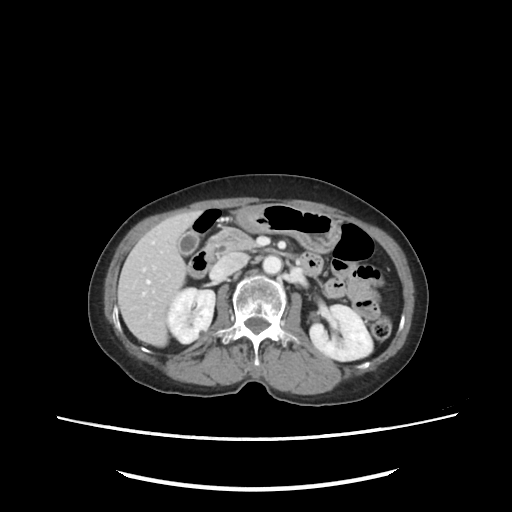

Abdominal CT · axial plane, index 59 · 512x512 px · 73-year-old female patient · 15 organs annotated in this scan (that count is for the whole scan; organs this slice misses have no box)
Organ boxes in pixel coordinates; each row gives the top-left (x1, y1) and bottom-right (x2, y2) corners.
| organ | x1 | y1 | x2 | y2 |
|---|---|---|---|---|
| right kidney | 168 | 288 | 215 | 343 |
| left kidney | 308 | 305 | 373 | 360 |
| gall bladder | 177 | 232 | 224 | 256 |
| liver | 117 | 211 | 201 | 346 |
| stomach | 229 | 205 | 339 | 251 |
| aorta | 262 | 255 | 282 | 274 |
| inferior vena cava | 212 | 252 | 248 | 276 |
| pancreas | 206 | 227 | 258 | 254 |
| duodenum | 187 | 247 | 323 | 277 |